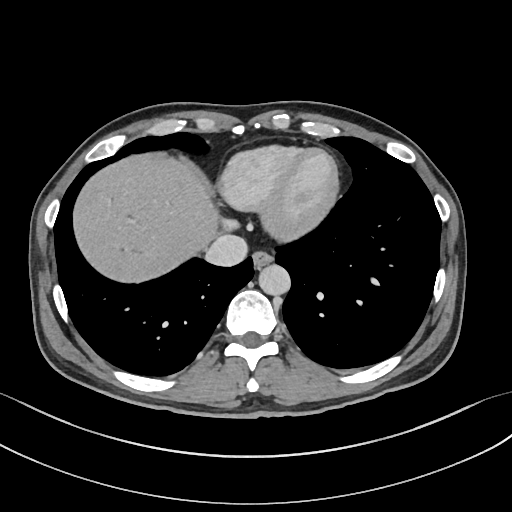

CT, abdomen/pelvis — axial plane, index 215
{"organs":{"esophagus":[252,252,273,269],"liver":[74,157,218,282],"aorta":[259,265,291,295],"inferior vena cava":[205,233,247,266]}}